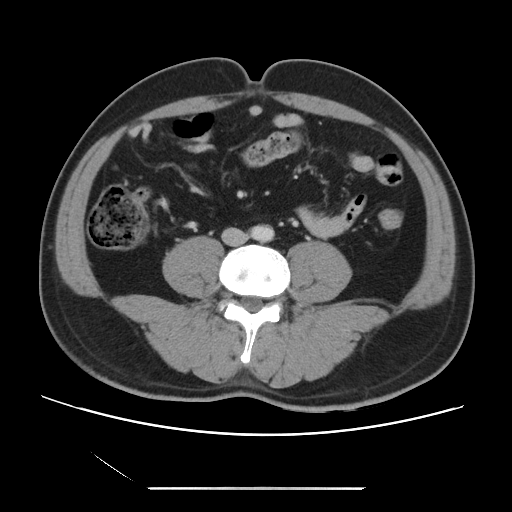 Computed tomography, abdomen. Axial slice 48/131
Boxes: x1:y1:x2:y2 in pixels. 2 labeled organs on this slice — aorta at 250:225:274:241; inferior vena cava at 221:228:248:246.